Abdominal MR; axial view; acquired on Prisma
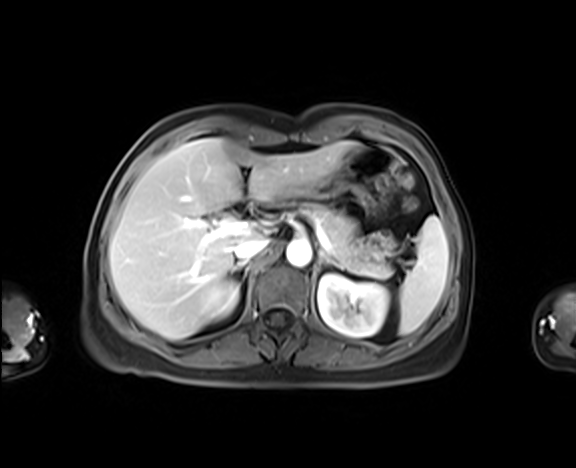 {"organs":{"spleen":[398,216,448,334],"right kidney":[207,279,239,320],"left kidney":[318,274,389,337],"liver":[109,138,356,339],"stomach":[306,144,398,209],"aorta":[286,240,311,266],"inferior vena cava":[233,238,268,260],"pancreas":[303,204,391,278],"right adrenal gland":[231,261,245,272],"left adrenal gland":[319,252,344,269]}}